CT, abdomen/pelvis. axial view. 768x768 px. 15 organs annotated in this scan (that count is for the whole scan; organs this slice misses have no box)
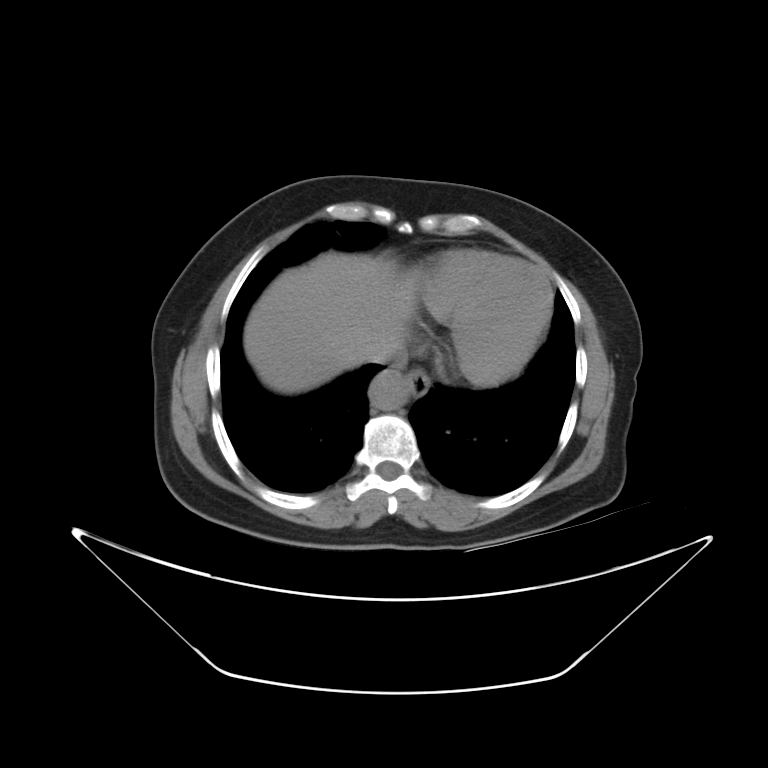

Boxes: x1:y1:x2:y2 in pixels. 4 labeled organs on this slice — esophagus at 408:372:428:400; aorta at 367:368:409:411; inferior vena cava at 358:342:398:365; liver at 244:250:415:394.